Computed tomography, abdomen; axial plane, index 64; W/L 400/40 HU; 50-year-old male patient; scan has 14 labeled organs (that count is for the whole scan; organs this slice misses have no box)
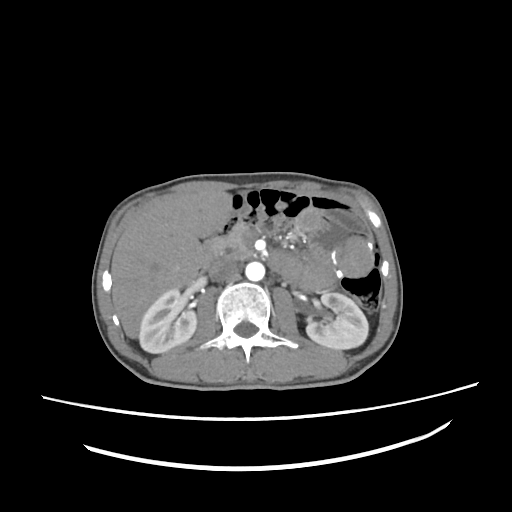 {"organs":{"right kidney":[139,289,196,353],"left kidney":[306,292,368,349],"liver":[111,190,232,338],"aorta":[245,261,264,281],"inferior vena cava":[208,257,238,281],"pancreas":[217,222,251,256],"duodenum":[202,232,251,265]}}